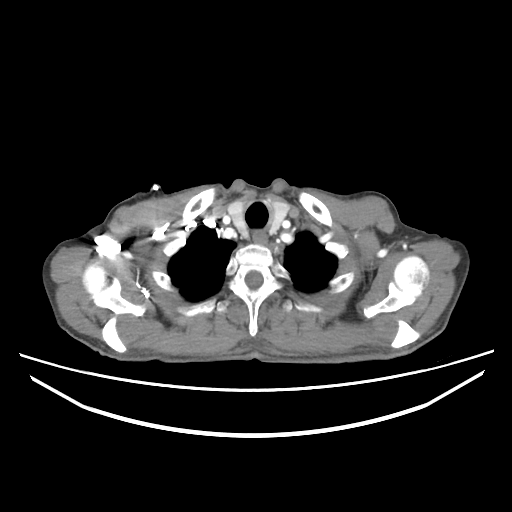

Chest-level slice from an abdominal CT that extends up into the chest; axial view; soft-tissue window, W/L 400/40; 50-year-old male patient
On a slice this high in the chest, this dataset labels only the esophagus and the aorta, and each is boxed only where it is labeled; the heart, lungs and other chest structures are not labeled. Each box given as x1,y1,x2,y2. Labeled organs on this slice: esophagus at x1=252, y1=231, x2=266, y2=244.